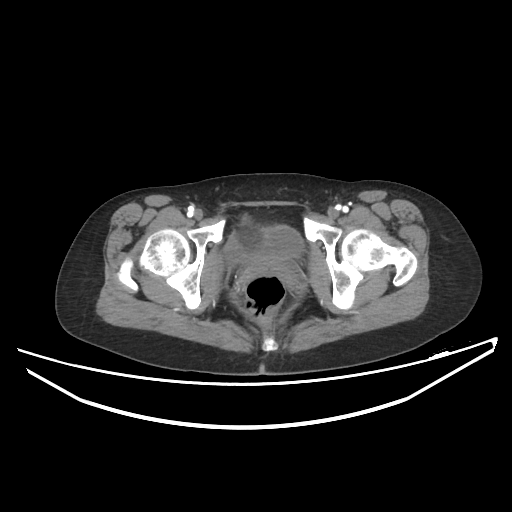

CT, abdomen/pelvis; Axial slice 12/126; scan has 15 labeled organs (that count is for the whole scan; organs this slice misses have no box)
<organs><organ name="bladder" x1="223" y1="225" x2="303" y2="266"/></organs>